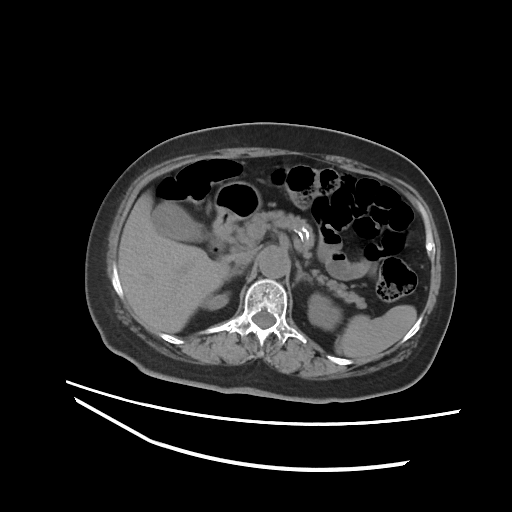
Computed tomography, abdomen; axial view; soft-tissue window (W 400 / L 40); Aquilion ONE scanner
Organ boxes in pixel coordinates; each row gives the top-left (x1, y1) and bottom-right (x2, y2) corners.
| organ | x1 | y1 | x2 | y2 |
|---|---|---|---|---|
| right kidney | 203 | 292 | 229 | 310 |
| inferior vena cava | 235 | 249 | 256 | 266 |
| liver | 118 | 192 | 236 | 333 |
| right adrenal gland | 226 | 266 | 245 | 280 |
| duodenum | 214 | 237 | 222 | 251 |
| gall bladder | 151 | 202 | 207 | 241 |
| stomach | 214 | 181 | 261 | 235 |
| left kidney | 308 | 293 | 339 | 330 |
| left adrenal gland | 295 | 262 | 312 | 282 |
| pancreas | 234 | 210 | 365 | 307 |
| aorta | 258 | 248 | 289 | 277 |
| spleen | 335 | 305 | 417 | 358 |